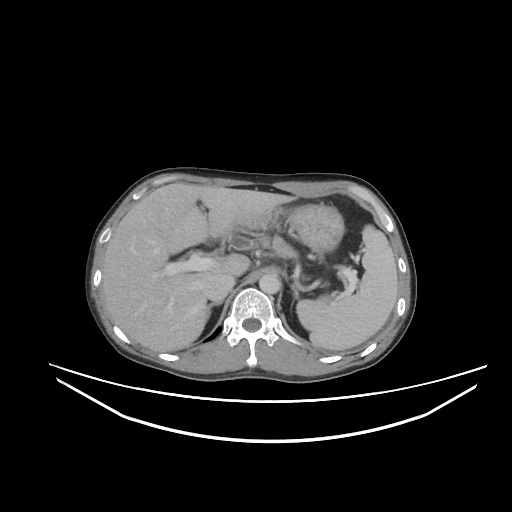
CT, abdomen/pelvis · Axial slice 76/132 · W/L 400/40 HU · 47-year-old male patient · 15 organs annotated in this scan (a whole-scan count: organs this slice does not pass through have no box)
<organs><organ name="spleen" x1="296" y1="225" x2="398" y2="350"/><organ name="liver" x1="102" y1="183" x2="296" y2="351"/><organ name="stomach" x1="240" y1="204" x2="344" y2="253"/><organ name="aorta" x1="259" y1="274" x2="280" y2="293"/><organ name="inferior vena cava" x1="201" y1="274" x2="235" y2="301"/><organ name="pancreas" x1="251" y1="235" x2="292" y2="255"/><organ name="right adrenal gland" x1="208" y1="301" x2="222" y2="314"/><organ name="left adrenal gland" x1="291" y1="283" x2="298" y2="299"/></organs>